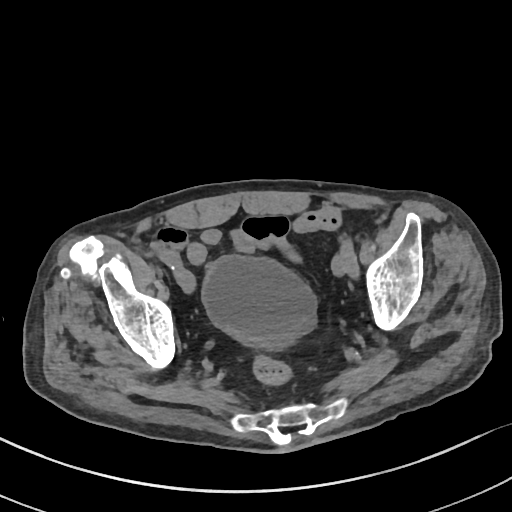 Abdominal CT — axial view — 512x512 px — acquired on SOMATOM Force
{"organs":{"bladder":[202,255,316,349]}}